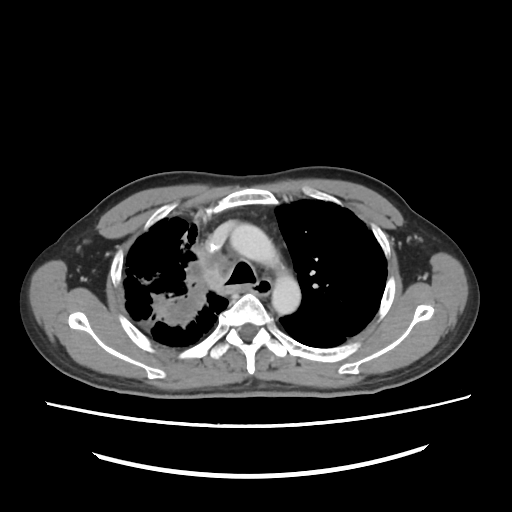
Abdominal CT reaching into the chest; this slice is in the chest · axial view · 45-year-old male patient
At this level of the chest no structure but the esophagus and the aorta has a label in this dataset, and those two are boxed only where they are labeled.
{"organs":{"aorta":[228,225,298,314]}}